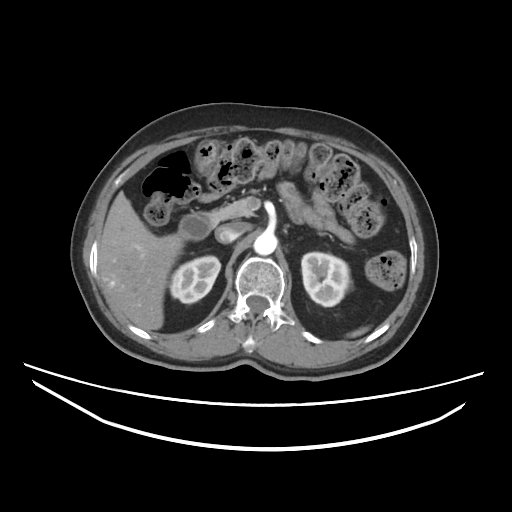
Computed tomography, abdomen · Axial slice 67/124 · abdomen soft-tissue window · 512x512 px · 58-year-old male patient
{"organs":{"aorta":[254,232,277,254],"inferior vena cava":[215,222,248,243],"spleen":[349,327,367,337],"duodenum":[178,212,217,240],"pancreas":[212,198,253,221],"right kidney":[169,256,220,303],"left kidney":[301,252,349,306],"liver":[98,191,184,330]}}